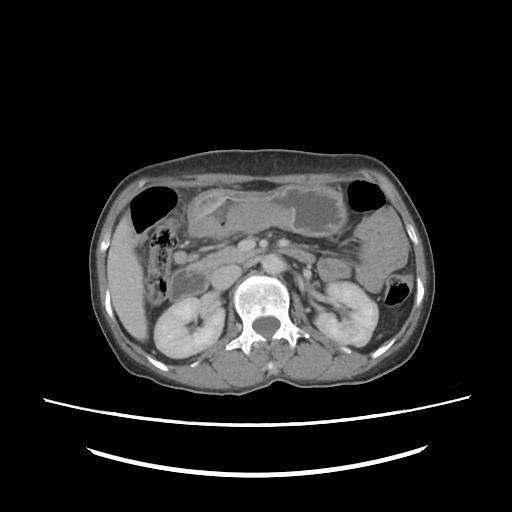

Abdominal CT · Axial slice 67/92 · soft-tissue window · 512x512 px
Boxes: x1 y1 x2 y2 (pixel coords, space-separated). The annotated organs in this slice are: liver at 107 213 146 341, aorta at 262 254 284 274, left kidney at 314 282 378 345, stomach at 186 185 346 241, inferior vena cava at 211 265 242 289, duodenum at 168 249 315 299, right kidney at 153 298 223 358, pancreas at 187 246 262 272.